CT, abdomen/pelvis · axial plane, index 149 · soft-tissue window (W 400 / L 40)
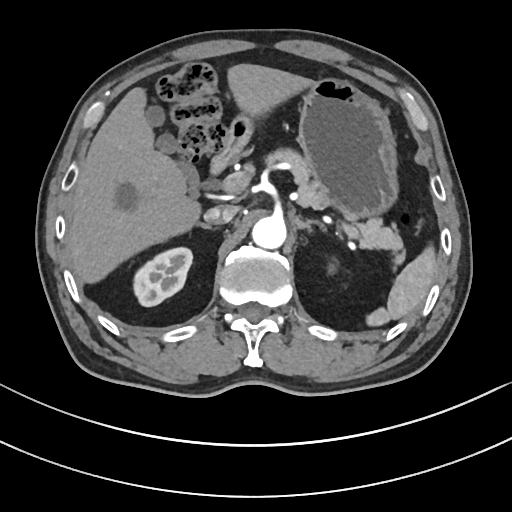
Each box given as x1,y1,x2,y2.
right adrenal gland: x1=201, y1=223, x2=208, y2=227
stomach: x1=298, y1=77, x2=398, y2=217
gall bladder: x1=145, y1=104, x2=199, y2=196
left adrenal gland: x1=293, y1=216, x2=324, y2=229
right kidney: x1=132, y1=248, x2=192, y2=306
liver: x1=67, y1=63, x2=308, y2=281
pancreas: x1=264, y1=149, x2=401, y2=249
inferior vena cava: x1=204, y1=206, x2=236, y2=224
aorta: x1=252, y1=216, x2=286, y2=248
spleen: x1=366, y1=248, x2=434, y2=324
duodenum: x1=209, y1=117, x2=251, y2=173